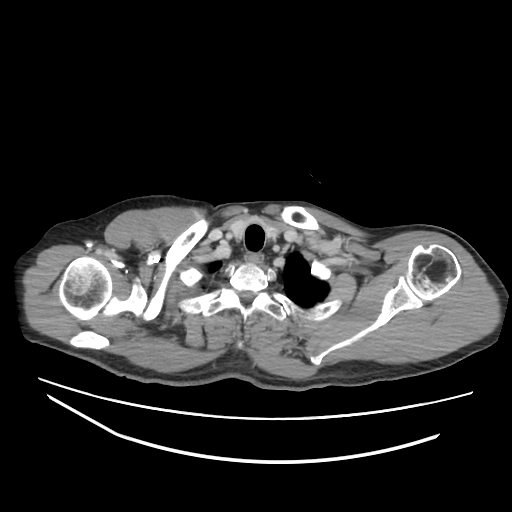 Chest-level CT slice, above the liver and spleen; axial plane, index 122; soft-tissue window; 54-year-old male patient
At this level of the chest no structure but the esophagus and the aorta has a label in this dataset, and those two are boxed only where they are labeled.
{"organs":{"esophagus":[246,252,263,266]}}